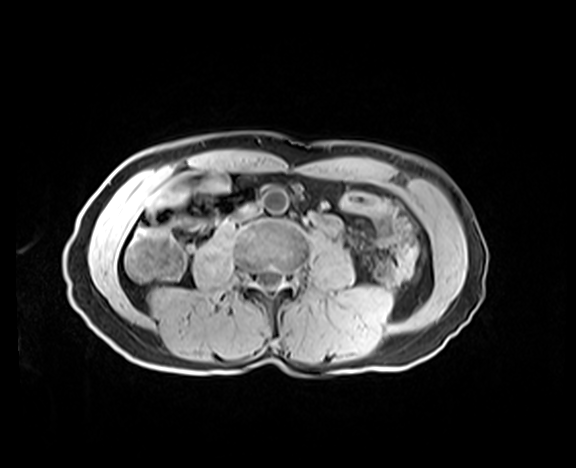

Abdominal MRI — axial view — 1st–99th percentile window
Boxes are (x1, y1, x2, y2) in pixels.
aorta: (263, 189, 288, 214)
inferior vena cava: (236, 205, 258, 220)